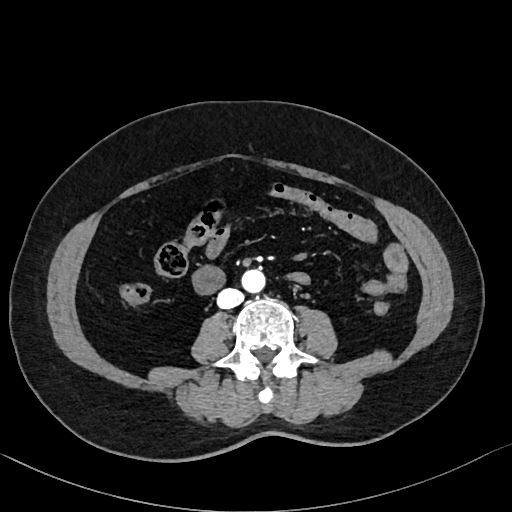
Computed tomography, abdomen — axial view — SOMATOM Force scanner
One row per box, in pixels: columns x1 and y1 give the top-left corner, x2 and y2 the bottom-right.
| organ | x1 | y1 | x2 | y2 |
|---|---|---|---|---|
| aorta | 241 | 269 | 265 | 293 |
| inferior vena cava | 217 | 288 | 243 | 308 |